Computed tomography, abdomen · axial view · abdomen soft-tissue window · 512x512 px · Aquilion ONE scanner · scan has 14 labeled organs (that count is for the whole scan; organs this slice misses have no box)
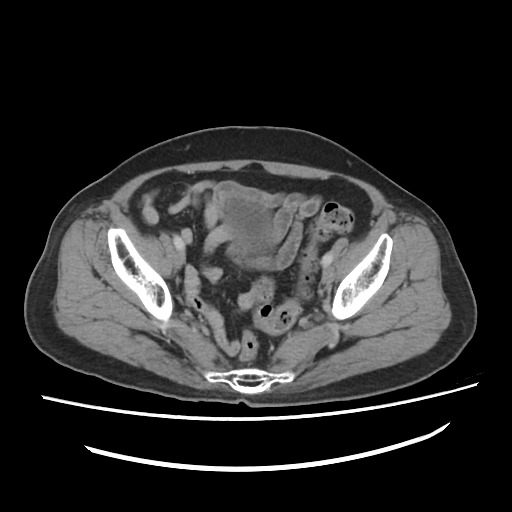

Bounding boxes as [x1, y1, x2, y2] in pixel coordinates. 1 labeled organ on this slice — bladder at [225, 198, 273, 243].